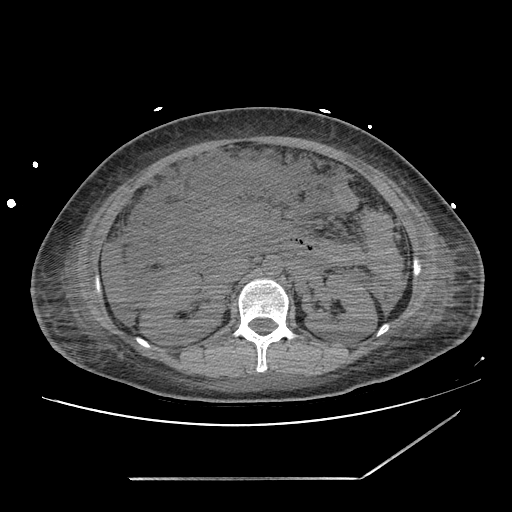
Computed tomography, abdomen; Axial slice 115/191
One row per box, in pixels: columns x1 and y1 give the top-left corner, x2 and y2 the bottom-right.
| organ | x1 | y1 | x2 | y2 |
|---|---|---|---|---|
| right kidney | 140 | 268 | 224 | 344 |
| pancreas | 200 | 209 | 270 | 236 |
| duodenum | 159 | 220 | 304 | 265 |
| left kidney | 306 | 275 | 377 | 344 |
| aorta | 262 | 256 | 282 | 278 |
| liver | 102 | 244 | 130 | 310 |
| inferior vena cava | 218 | 256 | 249 | 282 |